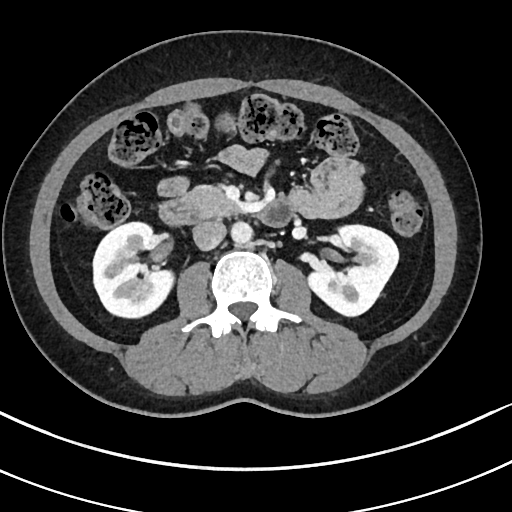

Abdominal CT — axial view — soft-tissue window (W 400 / L 40) — SOMATOM Force scanner — scan has 15 labeled organs (counted over the whole 3D scan, not this slice; an organ is boxed only where this slice passes through it)
<organs><organ name="left kidney" x1="308" y1="224" x2="398" y2="317"/><organ name="aorta" x1="231" y1="221" x2="252" y2="244"/><organ name="duodenum" x1="160" y1="199" x2="292" y2="226"/><organ name="pancreas" x1="185" y1="185" x2="242" y2="217"/><organ name="inferior vena cava" x1="192" y1="220" x2="226" y2="250"/><organ name="right kidney" x1="92" y1="221" x2="173" y2="317"/></organs>